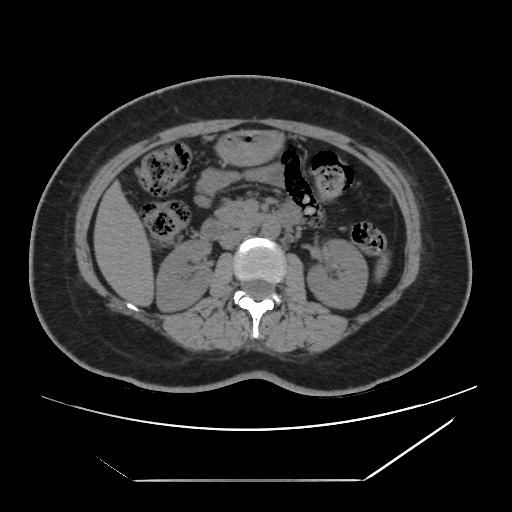
Abdominal CT · axial plane, index 204 · soft-tissue window (W 400 / L 40) · 512x512 px
Organ boxes in pixel coordinates; each row gives the top-left (x1, y1) and bottom-right (x2, y2) corners.
| organ | x1 | y1 | x2 | y2 |
|---|---|---|---|---|
| right kidney | 155 | 239 | 212 | 311 |
| left kidney | 307 | 238 | 369 | 307 |
| aorta | 261 | 220 | 279 | 237 |
| liver | 94 | 183 | 153 | 305 |
| pancreas | 215 | 204 | 254 | 227 |
| inferior vena cava | 219 | 229 | 250 | 249 |
| duodenum | 201 | 207 | 295 | 240 |
| stomach | 218 | 131 | 281 | 163 |